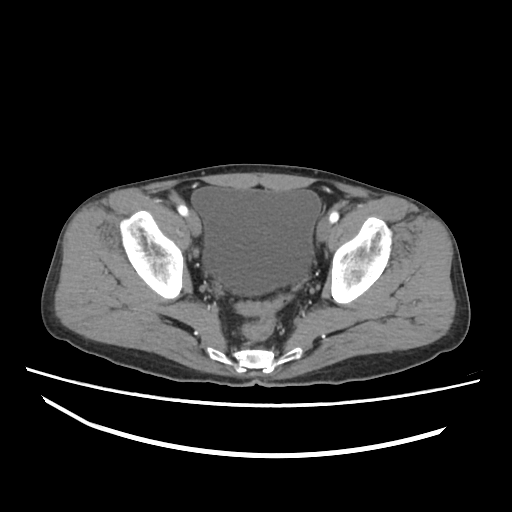

CT, abdomen/pelvis; axial view; 15 organs annotated in this scan (a whole-scan count: organs this slice does not pass through have no box)
Boxes are (x1, y1, x2, y2) in pixels.
bladder: (192, 186, 320, 295)